CT, abdomen/pelvis · axial plane, index 8 · 56-year-old male patient · Brilliance16 scanner
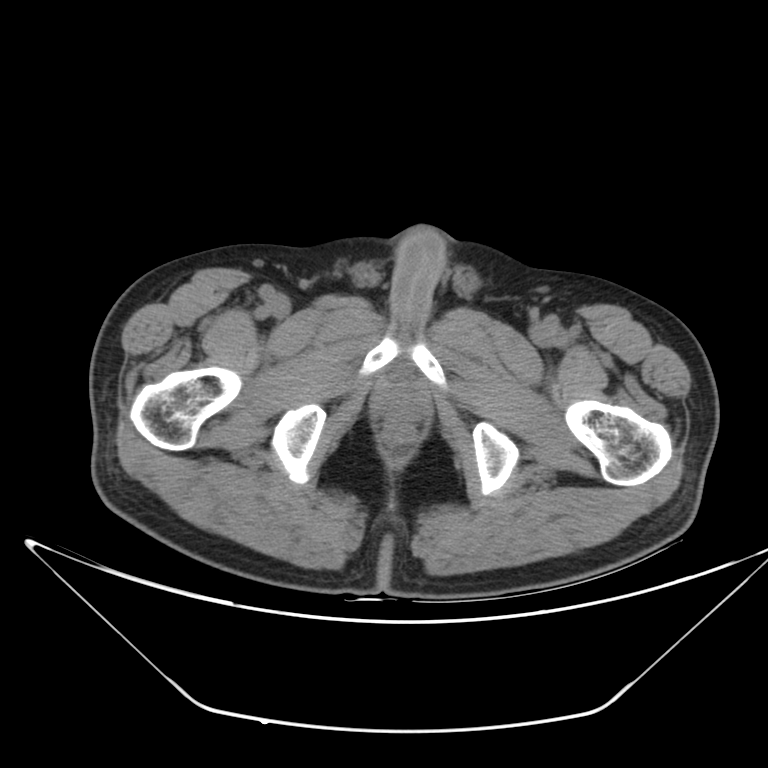 Boxes: x1 y1 x2 y2 (pixel coords, space-separated).
prostate/uterus: 383 387 421 420